CT, abdomen/pelvis. axial view. W/L 400/40 HU. scan has 15 labeled organs (that count is for the whole scan; organs this slice misses have no box)
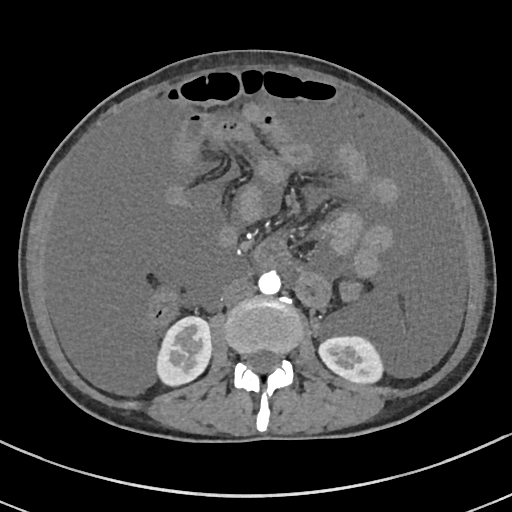 Boxes: x1 y1 x2 y2 (pixel coords, space-separated). 4 labeled organs on this slice — right kidney at 157 317 210 385; left kidney at 317 337 381 383; aorta at 258 271 281 293; inferior vena cava at 223 279 254 304.